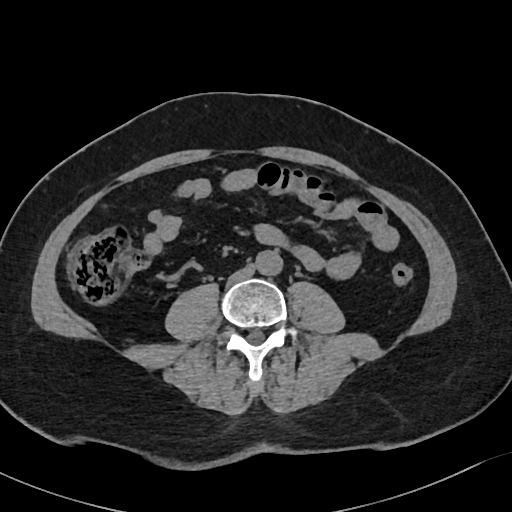 CT, abdomen/pelvis — axial view — W/L 400/40 HU — SOMATOM Force scanner
Box edges are left/top/right/bottom in pixels. Labeled organs on this slice: aorta at left=255, top=250, right=282, bottom=275, inferior vena cava at left=228, top=265, right=254, bottom=283.